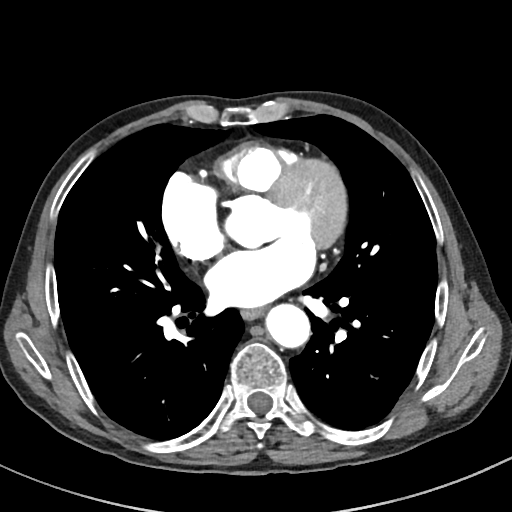

CT of the abdomen reaching into the lower chest, slice just above the liver and spleen — axial view — soft-tissue window
No part of the heart or lungs is labeled in this dataset, so neither has a box here.
Boxes: x1:y1:x2:y2 in pixels.
esophagus: 242:309:264:320
aorta: 266:304:311:349